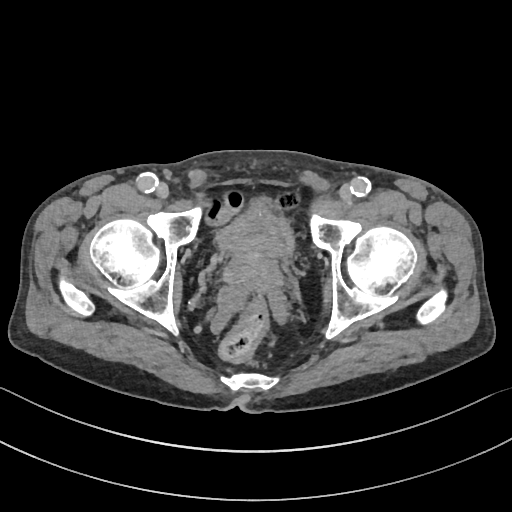
CT abdomen — axial view — W/L 400/40 HU — 512x512 px — 15 organs annotated in this scan (a whole-scan count: organs this slice does not pass through have no box)
<organs><organ name="bladder" x1="216" y1="204" x2="295" y2="257"/><organ name="prostate/uterus" x1="223" y1="250" x2="283" y2="291"/></organs>